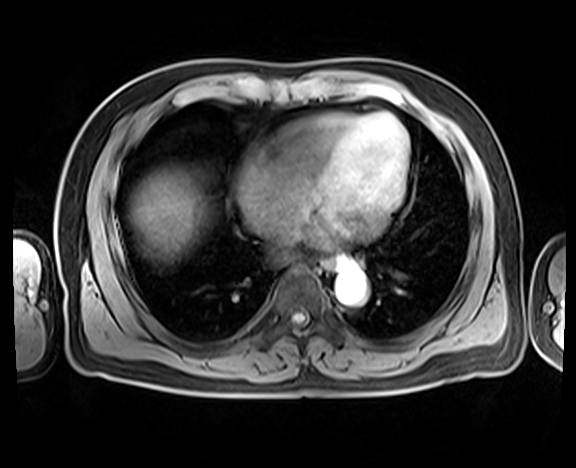 Abdominal MR — axial plane, index 69
Coordinates as <box>x1,y1,x2,y2</box> in pixels. Labeled organs on this slice: esophagus at <box>314,258,348,272</box>, liver at <box>131,167,206,260</box>, aorta at <box>335,268,366,304</box>, inferior vena cava at <box>261,227,300,245</box>.